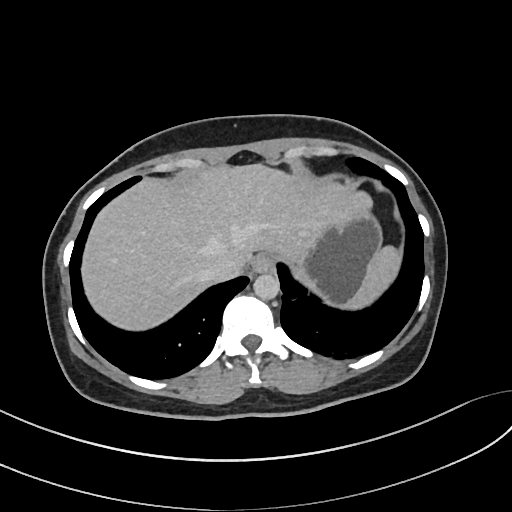 Abdominal CT; axial view; 512x512 px
{"organs":{"spleen":[341,245,402,309],"esophagus":[253,253,274,272],"liver":[80,163,374,330],"stomach":[290,211,383,306],"aorta":[253,273,279,299],"inferior vena cava":[203,255,243,283]}}